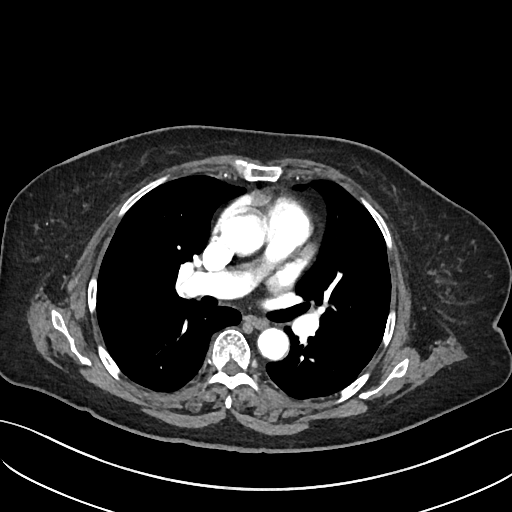 Abdominal CT reaching into the chest; this slice is in the chest — axial plane, index 219 — W/L 400/40 HU — acquired on SOMATOM Force — scan has 15 labeled organs (a whole-scan count: organs this slice does not pass through have no box)
On a slice this high in the chest, this dataset labels only the esophagus and the aorta, and each is boxed only where it is labeled; the heart, lungs and other chest structures are not labeled.
{"organs":{"aorta":[[222,213,265,254],[257,328,288,360]],"esophagus":[246,316,267,327]}}